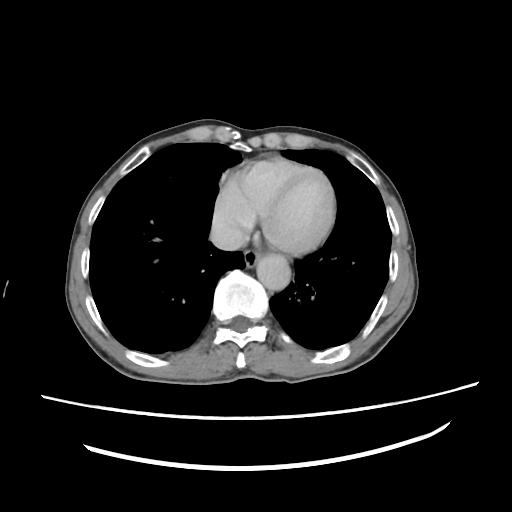 CT of the abdomen reaching into the lower chest, slice just above the liver and spleen — Axial slice 82/84 — soft-tissue window (W 400 / L 40) — 72-year-old male patient
Of the structures in the chest, this dataset labels only the esophagus, the aorta and the inferior vena cava; the heart and lungs have no label. Boxes: x1 y1 x2 y2 (pixel coords, space-separated). Labeled organs on this slice: aorta at 257 254 290 291, inferior vena cava at 211 217 248 251, esophagus at 245 248 263 270.